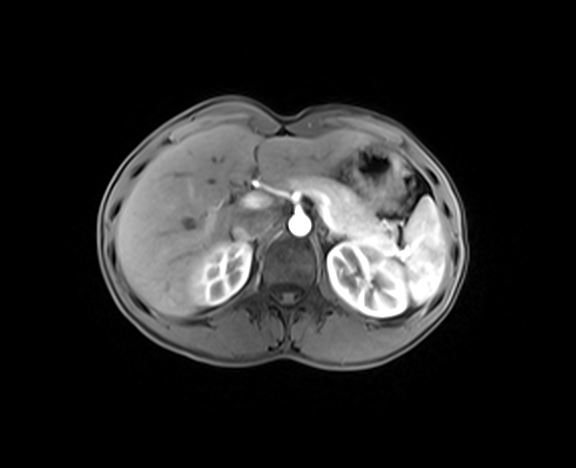 Abdominal MRI · Axial slice 43/72 · 1st–99th percentile window · 576x468 px · scan has 13 labeled organs (counted over the whole 3D scan, not this slice; an organ is boxed only where this slice passes through it)
<organs><organ name="spleen" x1="402" y1="196" x2="448" y2="303"/><organ name="right kidney" x1="189" y1="240" x2="251" y2="305"/><organ name="left kidney" x1="327" y1="240" x2="407" y2="316"/><organ name="liver" x1="116" y1="124" x2="370" y2="316"/><organ name="stomach" x1="349" y1="144" x2="402" y2="209"/><organ name="aorta" x1="288" y1="215" x2="310" y2="236"/><organ name="inferior vena cava" x1="230" y1="207" x2="272" y2="237"/><organ name="pancreas" x1="283" y1="175" x2="390" y2="242"/></organs>